CT, abdomen/pelvis — axial view — acquired on SOMATOM Force
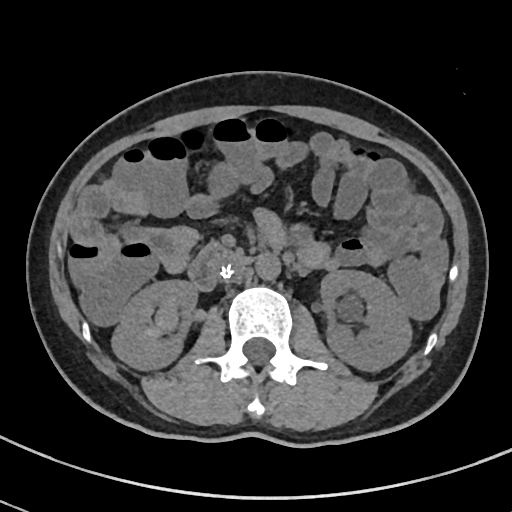

<organs><organ name="right kidney" x1="110" y1="279" x2="198" y2="370"/><organ name="left kidney" x1="320" y1="269" x2="413" y2="372"/><organ name="aorta" x1="256" y1="255" x2="281" y2="282"/><organ name="inferior vena cava" x1="228" y1="269" x2="243" y2="282"/><organ name="duodenum" x1="188" y1="241" x2="250" y2="291"/></organs>